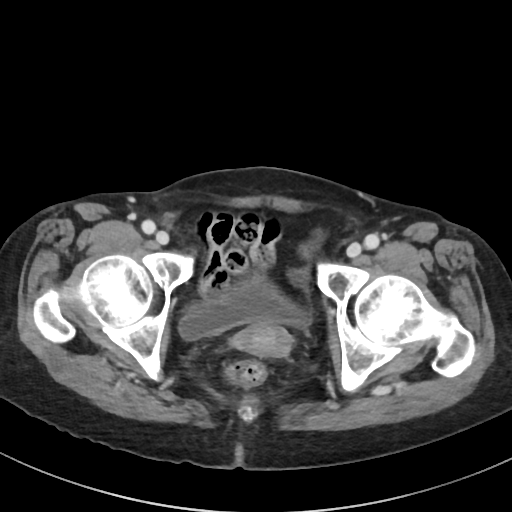

CT abdomen — axial view — abdomen soft-tissue window
Each box given as x1,y1,x2,y2. 2 labeled organs on this slice — bladder at x1=179, y1=277, x2=309, y2=340; prostate/uterus at x1=232, y1=323, x2=292, y2=357.